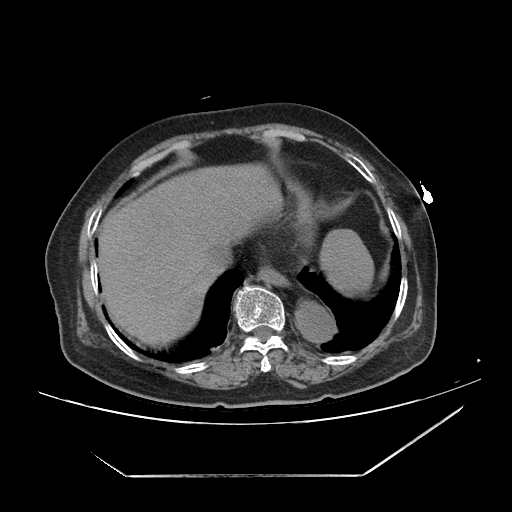 Computed tomography, abdomen — axial view — 512x512 px — SOMATOM Force scanner
{"organs":{"esophagus":[259,269,292,288],"spleen":[319,230,372,293],"liver":[99,166,281,344],"inferior vena cava":[205,243,235,272],"aorta":[298,306,336,343]}}